CT, abdomen/pelvis; axial view; 512x512 px; 57-year-old female patient; Aquilion ONE scanner
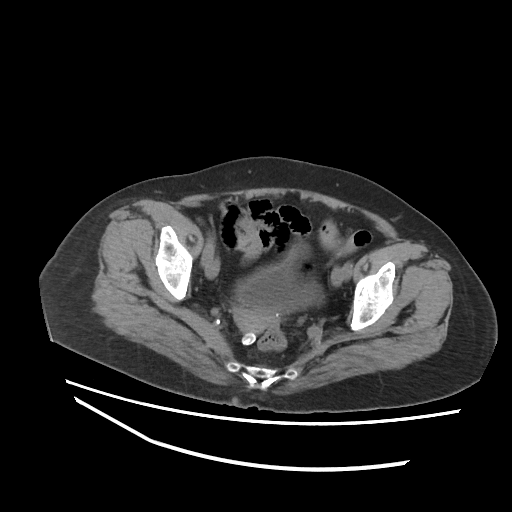 One row per box, in pixels: columns x1 and y1 give the top-left corner, x2 and y2 the bottom-right.
| organ | x1 | y1 | x2 | y2 |
|---|---|---|---|---|
| prostate/uterus | 234 | 308 | 277 | 333 |
| bladder | 235 | 252 | 323 | 311 |